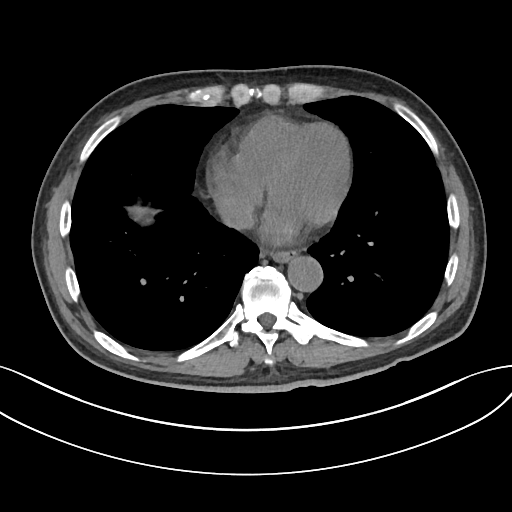

Abdominal CT; this slice is in the lower chest, just above the liver · Axial slice 208/213 · 512x512 px · scan has 15 labeled organs (that count is for the whole scan; organs this slice misses have no box)
No part of the heart or lungs is labeled in this dataset, so neither has a box here.
{"organs":{"aorta":[287,255,322,290],"esophagus":[271,251,295,262],"inferior vena cava":[219,196,254,230]}}